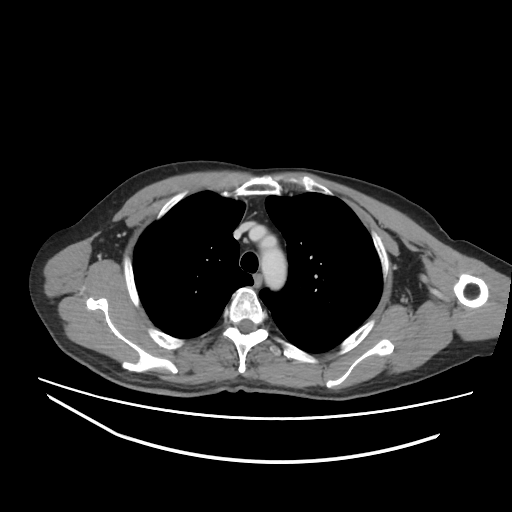 CT of the abdomen extending into the chest, slice through the chest · axial view · soft-tissue window (W 400 / L 40) · 512x512 px
At this level of the chest no structure but the esophagus and the aorta has a label in this dataset, and those two are boxed only where they are labeled.
<organs><organ name="esophagus" x1="253" y1="272" x2="263" y2="287"/><organ name="aorta" x1="260" y1="234" x2="286" y2="289"/></organs>